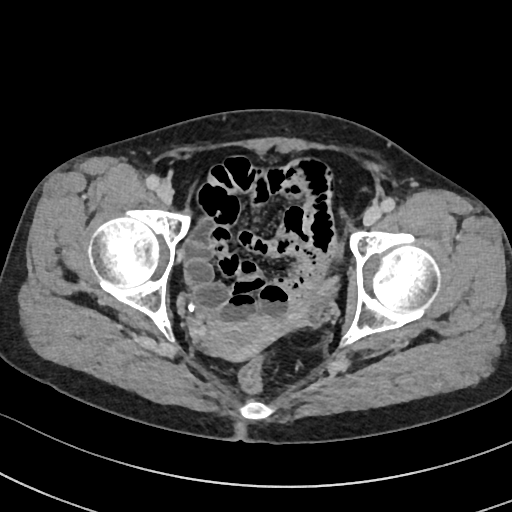

Computed tomography, abdomen; Axial slice 25/192; 15 organs annotated in this scan (a whole-scan count: organs this slice does not pass through have no box)
{"organs":{"prostate/uterus":[203,317,274,358]}}